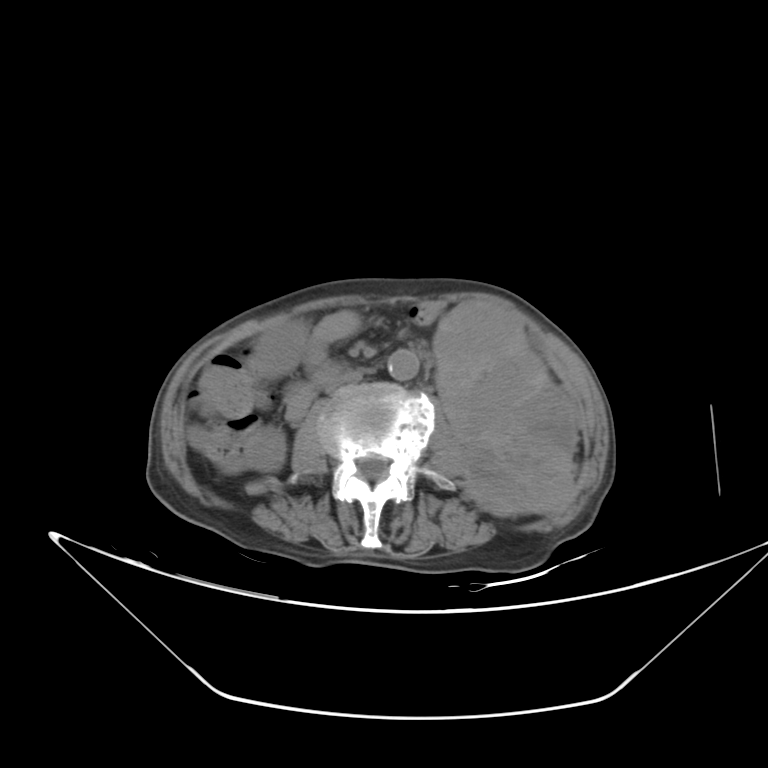
Abdominal CT — axial view — 768x768 px — male patient aged 90 or older
Each box given as x1,y1,x2,y2. The annotated organs in this slice are: left kidney at x1=434, y1=297, x2=578, y2=517, stomach at x1=251, y1=319, x2=309, y2=378, inferior vena cava at x1=325, y1=372, x2=363, y2=392, duodenum at x1=311, y1=363, x2=341, y2=390, right kidney at x1=243, y1=424, x2=286, y2=472, aorta at x1=387, y1=350, x2=419, y2=382.